CT, abdomen/pelvis; Axial slice 53/99; 768x768 px; 43-year-old female patient
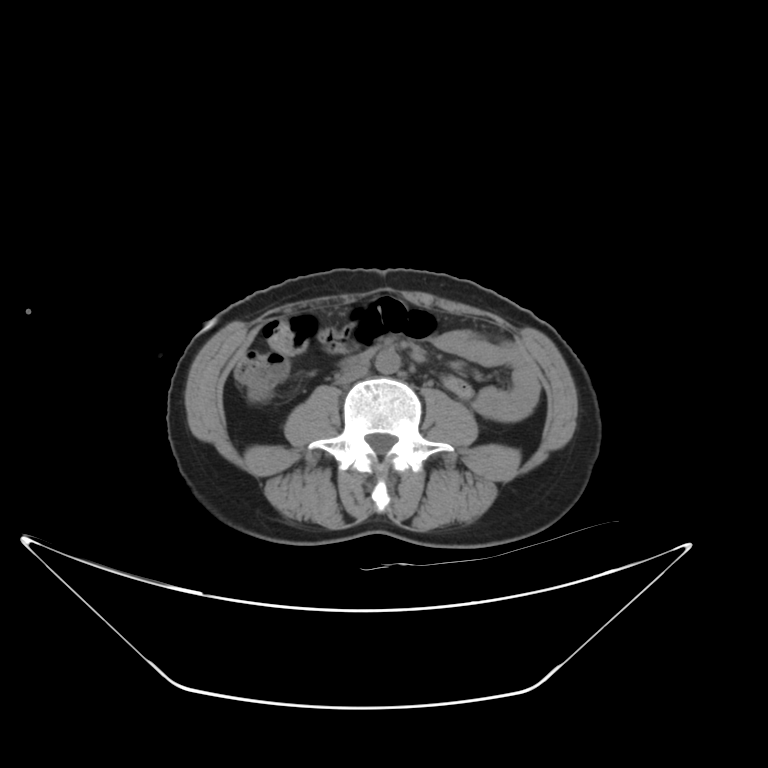 Boxes are (x1, y1, x2, y2) in pixels.
Organ bounding boxes:
- duodenum: (344, 346, 380, 365)
- aorta: (375, 349, 399, 373)
- inferior vena cava: (336, 366, 368, 384)